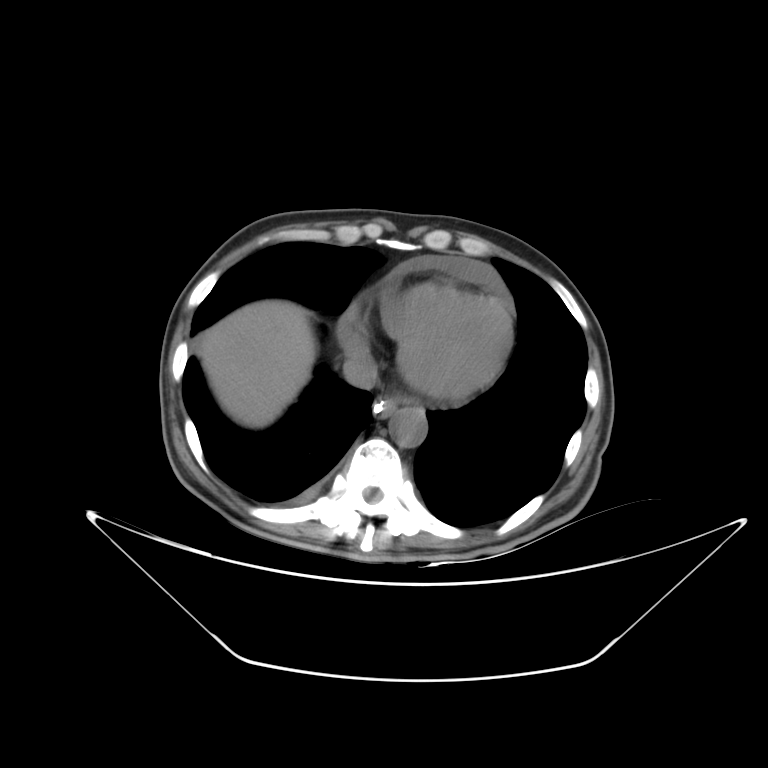
Abdominal CT · Axial slice 93/101 · 768x768 px
Bounding boxes in pixels, one row per box: x1, y1 is the top-left corner and x2, y2 the bottom-right.
| organ | x1 | y1 | x2 | y2 |
|---|---|---|---|---|
| esophagus | 374 | 397 | 400 | 417 |
| liver | 196 | 300 | 316 | 427 |
| aorta | 389 | 407 | 426 | 447 |
| inferior vena cava | 342 | 353 | 377 | 389 |